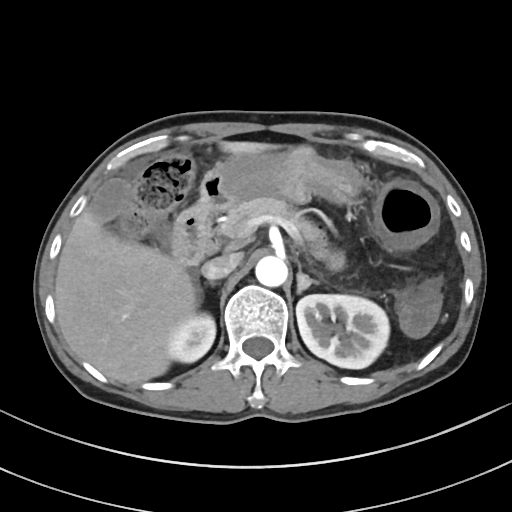 Abdominal CT; axial view; scan has 15 labeled organs (counted over the whole 3D scan, not this slice; an organ is boxed only where this slice passes through it)
Coordinates as <box>x1,y1,x2,y2</box> in pixels.
Organ bounding boxes:
- stomach: <box>206,145,364,204</box>
- liver: <box>54,141,278,383</box>
- pancreas: <box>219,197,323,253</box>
- right adrenal gland: <box>208,280,215,285</box>
- right kidney: <box>167,312,215,363</box>
- left adrenal gland: <box>296,269,317,293</box>
- inferior vena cava: <box>201,253,241,279</box>
- gall bladder: <box>90,178,171,243</box>
- left kidney: <box>296,294,389,368</box>
- aorta: <box>255,255,287,287</box>
- duodenum: <box>171,173,231,267</box>